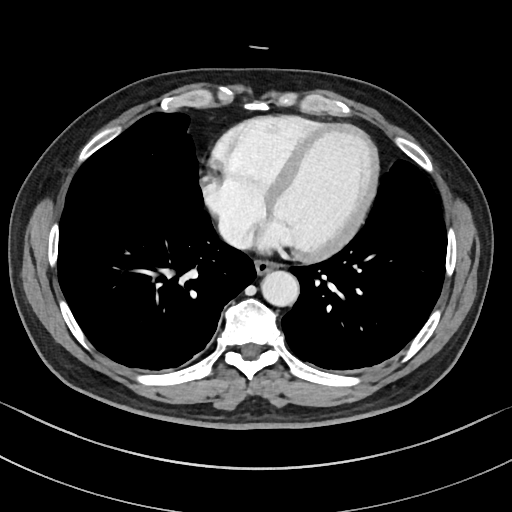
Abdominal CT; this slice is in the lower chest, just above the liver. axial plane, index 218. scan has 15 labeled organs (that count is for the whole scan; organs this slice misses have no box)
Of the structures in the chest, this dataset labels only the esophagus, the aorta and the inferior vena cava; the heart and lungs have no label.
{"organs":{"esophagus":[255,259,278,274],"aorta":[261,271,299,306],"inferior vena cava":[219,218,250,247]}}